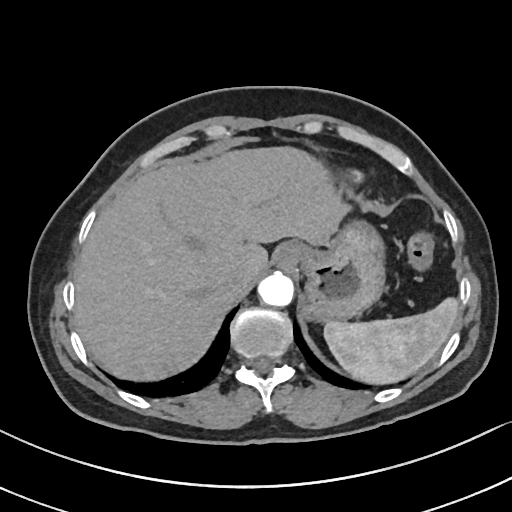

CT abdomen · Axial slice 184/294
Boxes: x1 y1 x2 y2 (pixel coords, space-separated). Labeled organs on this slice: spleen at 324 297 459 384, esophagus at 275 242 302 267, liver at 74 146 348 380, stomach at 299 220 384 321, aorta at 257 272 293 306, inferior vena cava at 224 264 255 287.